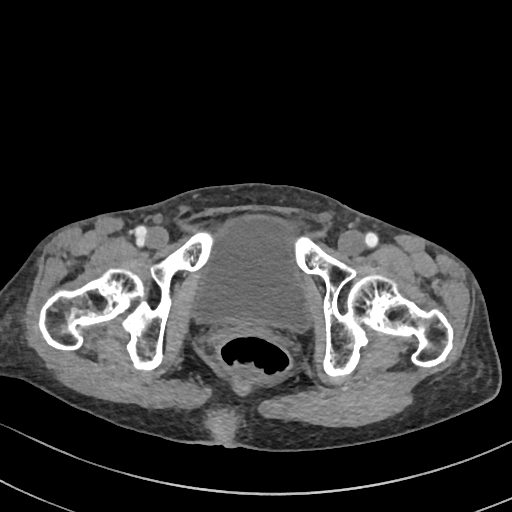 Computed tomography, abdomen · axial view · soft-tissue window (W 400 / L 40)
<organs><organ name="bladder" x1="199" y1="218" x2="307" y2="328"/></organs>